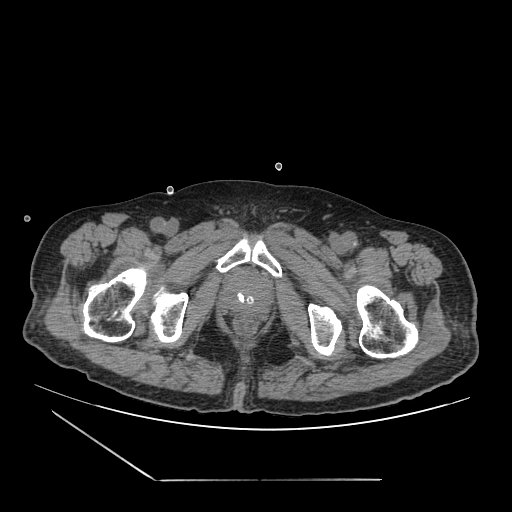

Abdominal CT — axial view
<organs><organ name="prostate/uterus" x1="224" y1="272" x2="268" y2="309"/></organs>